Abdominal CT — axial plane, index 53 — 512x512 px
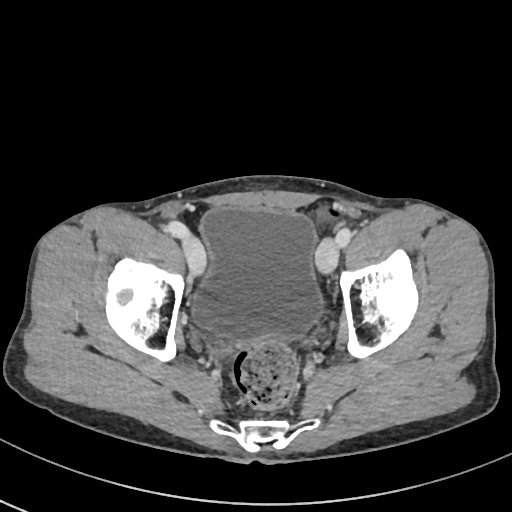
Each box given as x1,y1,x2,y2.
bladder: x1=193, y1=207, x2=322, y2=341